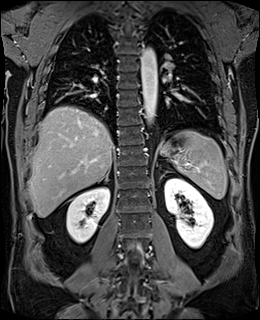
Magnetic resonance imaging, abdomen — Coronal slice 41/144 — acquired on Prisma — scan has 13 labeled organs (counted over the whole 3D scan, not this slice; an organ is boxed only where this slice passes through it)
<organs><organ name="stomach" x1="161" y1="144" x2="169" y2="153"/><organ name="right adrenal gland" x1="97" y1="169" x2="110" y2="182"/><organ name="left adrenal gland" x1="160" y1="172" x2="166" y2="179"/><organ name="aorta" x1="140" y1="47" x2="157" y2="124"/><organ name="left kidney" x1="164" y1="178" x2="213" y2="248"/><organ name="spleen" x1="166" y1="130" x2="227" y2="199"/><organ name="liver" x1="29" y1="106" x2="113" y2="217"/><organ name="right kidney" x1="66" y1="187" x2="109" y2="242"/></organs>